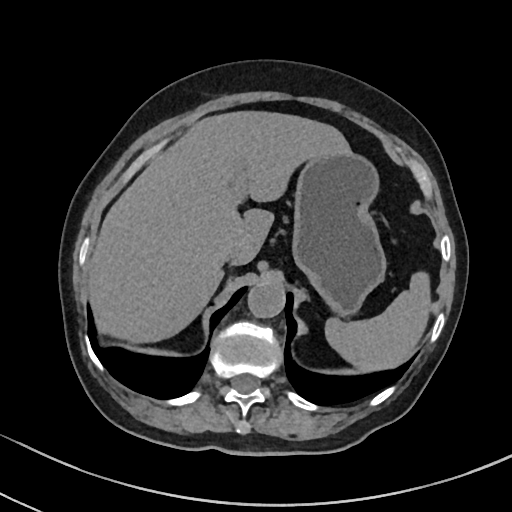 CT abdomen. axial view
Boxes are (x1, y1, x2, y2) in pixels.
Organ bounding boxes:
- inferior vena cava: (219, 247, 240, 266)
- spleen: (326, 271, 431, 371)
- liver: (86, 110, 349, 344)
- stomach: (293, 153, 385, 312)
- aorta: (248, 281, 285, 316)